Abdominal CT reaching into the chest; this slice is in the chest · axial view · 512x512 px
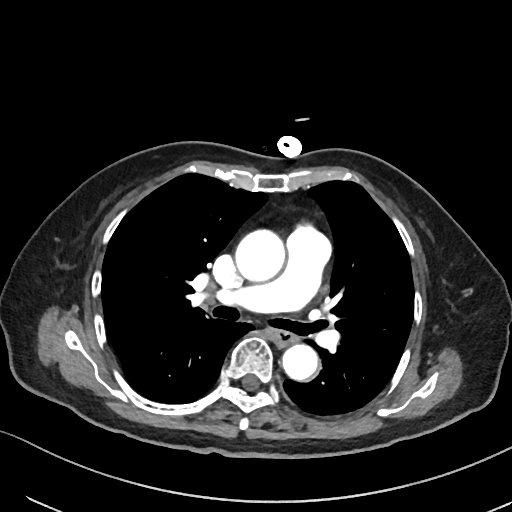 On a slice this high in the chest, this dataset labels only the esophagus and the aorta, and each is boxed only where it is labeled; the heart, lungs and other chest structures are not labeled.
One row per box, in pixels: columns x1 and y1 give the top-left corner, x2 and y2 the bottom-right.
| organ | x1 | y1 | x2 | y2 |
|---|---|---|---|---|
| esophagus | 271 | 330 | 294 | 345 |
| aorta | 235 | 229 | 285 | 281 |
| aorta | 282 | 344 | 317 | 380 |